Computed tomography, abdomen · axial view
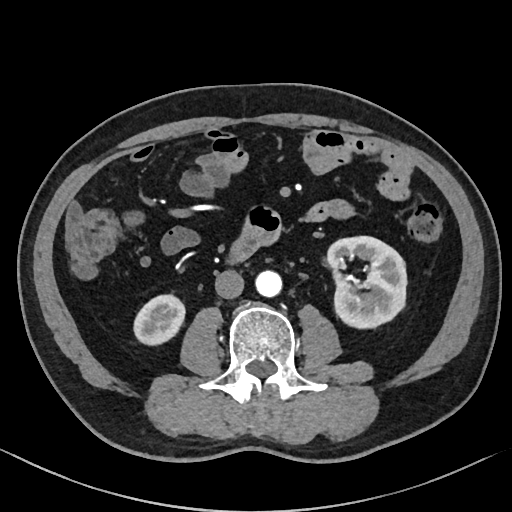

<organs><organ name="right kidney" x1="133" y1="294" x2="185" y2="344"/><organ name="aorta" x1="256" y1="271" x2="282" y2="297"/><organ name="left kidney" x1="328" y1="237" x2="406" y2="328"/><organ name="inferior vena cava" x1="215" y1="270" x2="244" y2="298"/></organs>